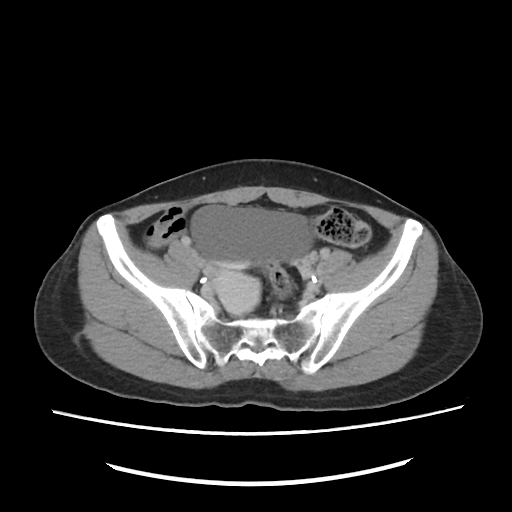

CT abdomen. axial view. soft-tissue window (W 400 / L 40). acquired on Aquilion ONE
Bounding boxes as [x1, y1, x2, y2] in pixel coordinates.
Organ bounding boxes:
- bladder: [190, 204, 312, 266]
- prostate/uterus: [211, 271, 260, 312]